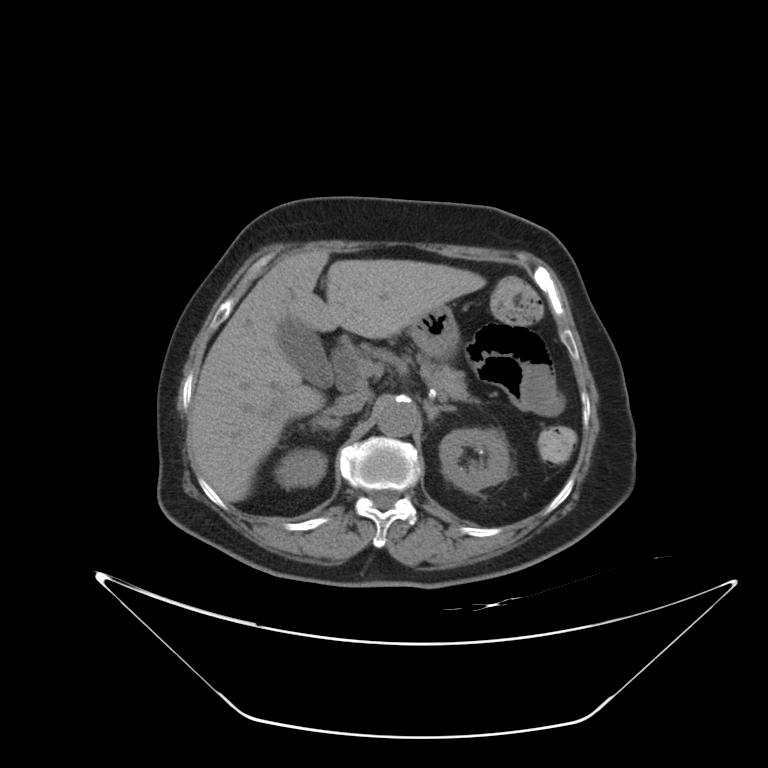 CT abdomen — axial view — soft-tissue window (W 400 / L 40)
One row per box, in pixels: columns x1 and y1 give the top-left corner, x2 and y2 the bottom-right.
| organ | x1 | y1 | x2 | y2 |
|---|---|---|---|---|
| left kidney | 439 | 429 | 509 | 493 |
| pancreas | 415 | 354 | 476 | 401 |
| stomach | 408 | 306 | 459 | 359 |
| inferior vena cava | 327 | 395 | 364 | 416 |
| left adrenal gland | 424 | 401 | 456 | 422 |
| aorta | 377 | 397 | 417 | 436 |
| gall bladder | 279 | 319 | 331 | 384 |
| right kidney | 275 | 450 | 326 | 488 |
| liver | 190 | 249 | 485 | 501 |
| right adrenal gland | 311 | 417 | 342 | 429 |